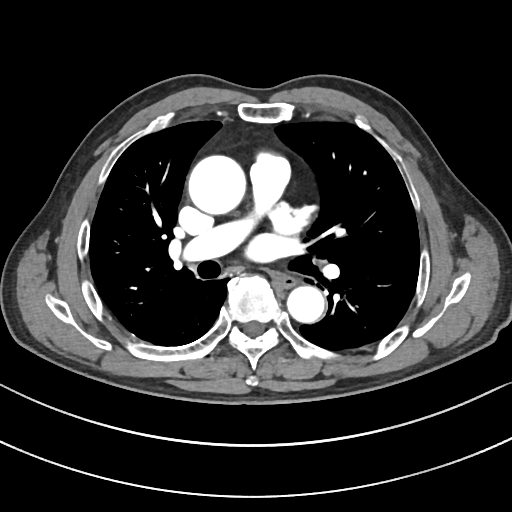

Chest-level CT slice, above the liver and spleen; axial view; W/L 400/40 HU
At this level of the chest this dataset labels only the esophagus and the aorta, and each is boxed only where it is labeled; the heart and lungs are never labeled. Boxes are (x1, y1, x2, y2) in pixels. 2 labeled organs on this slice — esophagus at (273, 274, 296, 287); aorta at (187, 155, 245, 215); aorta at (287, 286, 324, 322).